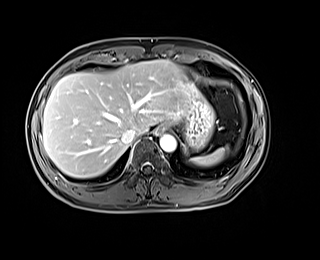
Magnetic resonance imaging, abdomen · axial view · 13 organs annotated in this scan (counted over the whole 3D scan, not this slice; an organ is boxed only where this slice passes through it)
<organs><organ name="stomach" x1="172" y1="71" x2="214" y2="150"/><organ name="inferior vena cava" x1="121" y1="128" x2="136" y2="144"/><organ name="spleen" x1="190" y1="146" x2="228" y2="166"/><organ name="aorta" x1="159" y1="134" x2="176" y2="152"/><organ name="liver" x1="42" y1="59" x2="190" y2="178"/><organ name="esophagus" x1="156" y1="124" x2="168" y2="133"/></organs>